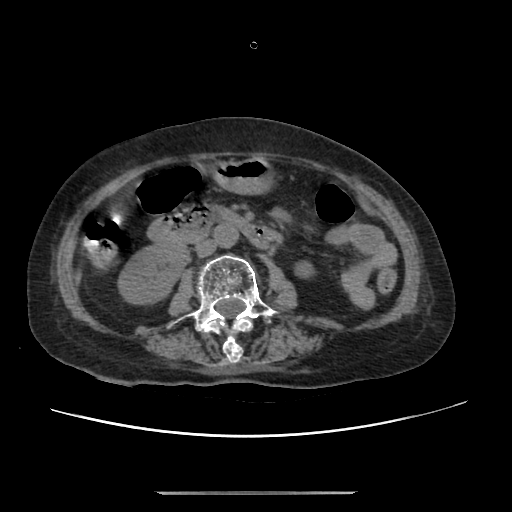
CT, abdomen/pelvis; axial plane, index 198; soft-tissue window; 512x512 px; acquired on SOMATOM Force
Each box given as x1,y1,x2,y2.
left kidney: x1=294, y1=260, x2=314, y2=278
right kidney: x1=118, y1=244, x2=187, y2=304
stomach: x1=213, y1=157, x2=272, y2=194
duodenum: x1=149, y1=205, x2=271, y2=248
inferior vena cava: x1=195, y1=239, x2=216, y2=256
aorta: x1=214, y1=224, x2=238, y2=247